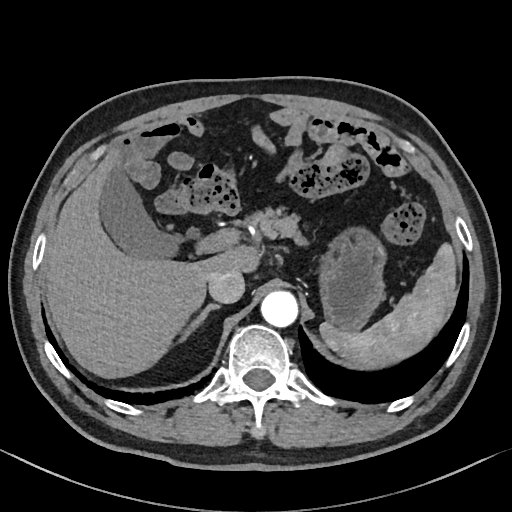 CT, abdomen/pelvis · Axial slice 165/245 · acquired on SOMATOM Force
Boxes are (x1, y1, x2, y2) in pixels.
right adrenal gland: (179, 303, 221, 340)
pancreas: (232, 207, 304, 243)
gall bladder: (101, 166, 183, 259)
inferior vena cava: (208, 269, 244, 303)
liver: (44, 151, 259, 377)
stomach: (321, 229, 385, 330)
aorta: (260, 290, 298, 327)
spleen: (319, 241, 456, 369)